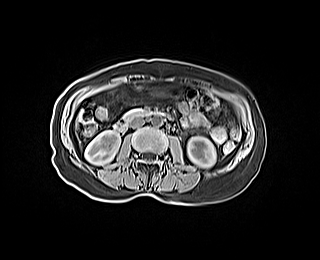 Abdominal MRI — axial view — percentile-normalized — Prisma scanner — scan has 13 labeled organs (that count is for the whole scan; organs this slice misses have no box)
Boxes: x1 y1 x2 y2 (pixel coords, space-separated).
Organ bounding boxes:
- inferior vena cava: 130 118 144 128
- pancreas: 124 109 144 116
- stomach: 157 88 178 96
- aorta: 151 115 162 126
- right kidney: 85 130 120 165
- liver: 77 112 81 121
- duodenum: 114 110 170 131
- left kidney: 187 136 215 167